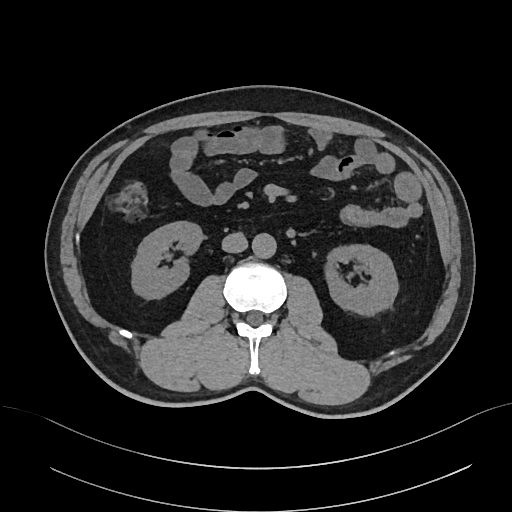

Abdominal CT · Axial slice 153/265 · W/L 400/40 HU
{"organs":{"right kidney":[131,222,201,300],"left kidney":[330,245,397,317],"aorta":[252,234,276,259],"inferior vena cava":[222,233,248,252]}}